Chest-level slice from an abdominal CT that extends up into the chest — Axial slice 287/306
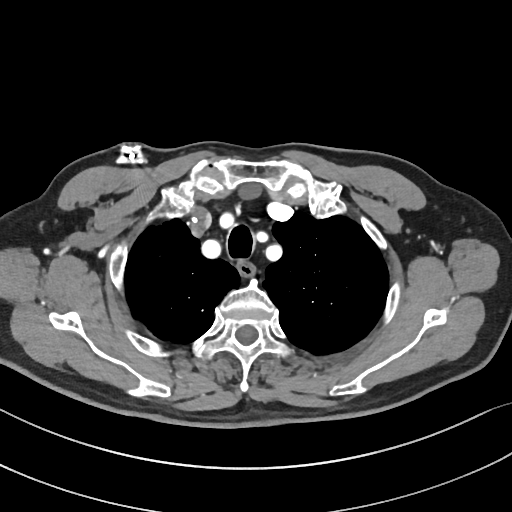

At this level of the chest this dataset labels only the esophagus and the aorta, and each is boxed only where it is labeled; the heart and lungs are never labeled.
Boxes: x1:y1:x2:y2 in pixels.
esophagus: 237:260:254:274